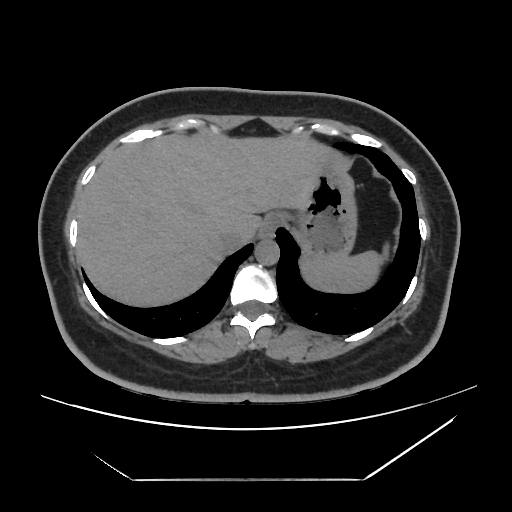

CT, abdomen/pelvis · axial view · abdomen soft-tissue window · SOMATOM Force scanner
Each box given as x1,y1,x2,y2.
spleen: x1=301, y1=243, x2=389, y2=293
esophagus: x1=261, y1=211, x2=284, y2=236
liver: x1=76, y1=132, x2=329, y2=308
stomach: x1=282, y1=148, x2=355, y2=265
aorta: x1=255, y1=239, x2=279, y2=264
inferior vena cava: x1=220, y1=226, x2=254, y2=251